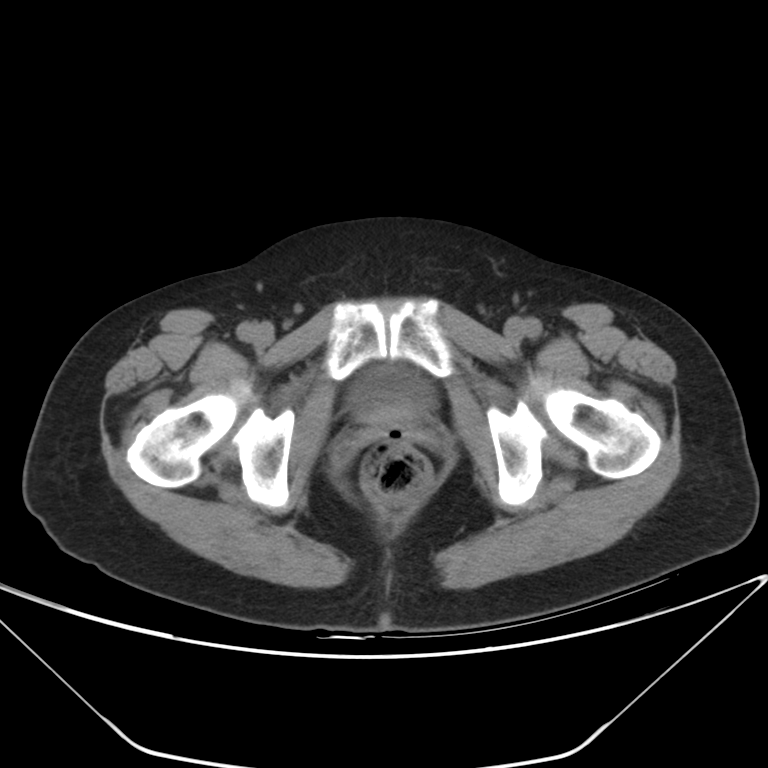

CT abdomen; axial plane, index 9; soft-tissue window (W 400 / L 40)
Each box given as x1,y1,x2,y2.
Organ bounding boxes:
- bladder: x1=350, y1=367, x2=434, y2=417